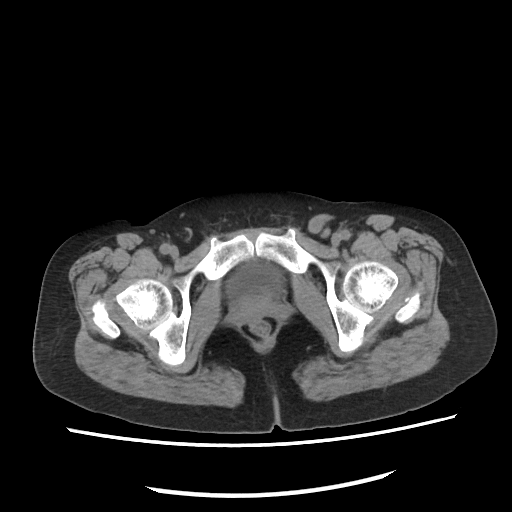

CT abdomen; Axial slice 13/88; 56-year-old female patient; Aquilion ONE scanner
{"organs":{"bladder":[227,266,282,298]}}